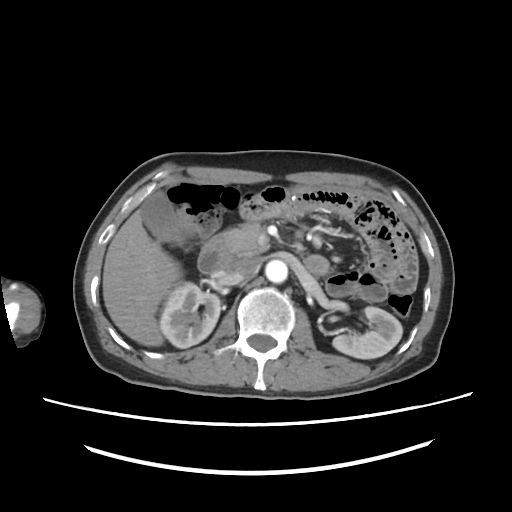

Computed tomography, abdomen · axial view · soft-tissue window
Box edges are left/top/right/bottom in pixels. 8 labeled organs on this slice — right kidney at left=159, top=280, right=219, bottom=348; left kidney at left=332, top=306, right=401, bottom=357; gall bladder at left=138, top=187, right=186, bottom=246; liver at left=102, top=210, right=184, bottom=346; aorta at left=265, top=260, right=288, bottom=283; inferior vena cava at left=227, top=254, right=262, bottom=279; pancreas at left=226, top=221, right=268, bottom=255; duodenum at left=198, top=232, right=330, bottom=275.